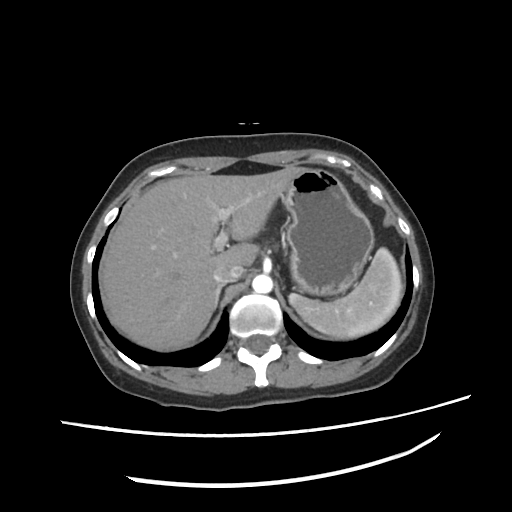 Abdominal CT · axial view · 512x512 px · 47-year-old female patient
Bounding boxes as [x1, y1, x2, y2] in pixel coordinates.
Organ bounding boxes:
- spleen: [289, 248, 403, 339]
- right adrenal gland: [214, 284, 225, 306]
- liver: [101, 165, 307, 348]
- stomach: [283, 169, 374, 295]
- inferior vena cava: [212, 265, 246, 283]
- aorta: [251, 275, 273, 293]